CT, abdomen/pelvis — axial view — W/L 400/40 HU — 59-year-old male patient
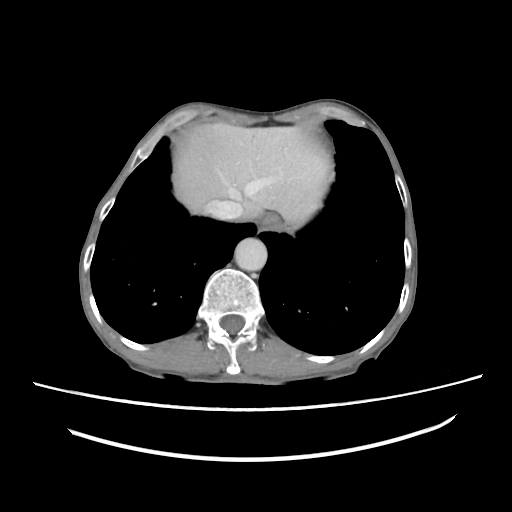
Box edges are left/top/right/bottom in pixels. Labeled organs on this slice: esophagus at left=257, top=213, right=278, bottom=230, liver at left=173, top=122, right=331, bottom=228, aorta at left=234, top=238, right=267, bottom=271, inferior vena cava at left=208, top=200, right=243, bottom=220.